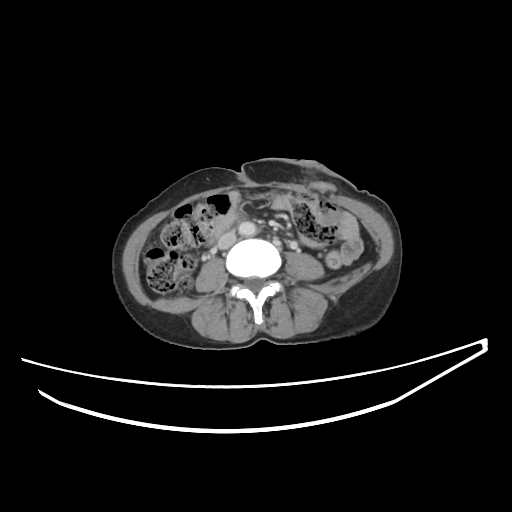

CT abdomen · Axial slice 43/116 · 62-year-old female patient · scan has 15 labeled organs (counted over the whole 3D scan, not this slice; an organ is boxed only where this slice passes through it)
Boxes: x1:y1:x2:y2 in pixels.
inferior vena cava: 218:232:236:249
aorta: 238:221:256:235